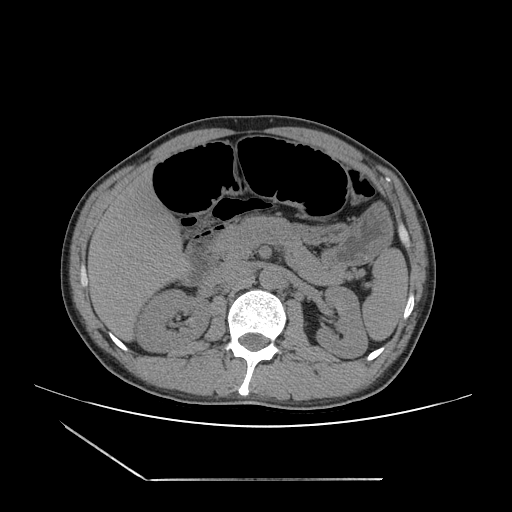

CT abdomen · axial plane, index 123 · 512x512 px · acquired on SOMATOM Force
Bounding boxes as [x1, y1, x2, y2] in pixel coordinates.
spleen: [362, 248, 408, 340]
right kidney: [136, 289, 210, 352]
left kidney: [316, 286, 367, 358]
liver: [87, 168, 187, 341]
stomach: [298, 204, 392, 264]
aorta: [259, 267, 281, 289]
inferior vena cava: [209, 260, 247, 283]
pancreas: [213, 216, 349, 284]
duodenum: [181, 234, 218, 285]